CT abdomen · Axial slice 16/93 · 768x768 px · scan has 15 labeled organs (a whole-scan count: organs this slice does not pass through have no box)
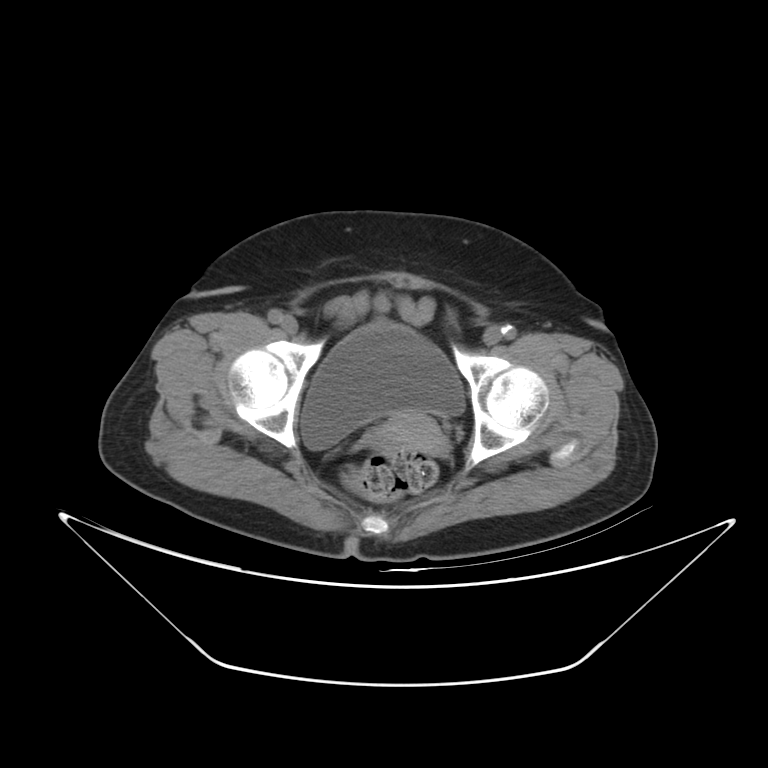
Boxes: x1 y1 x2 y2 (pixel coords, space-separated).
Organ bounding boxes:
- bladder: 301 321 465 450
- prostate/uterus: 383 413 447 455